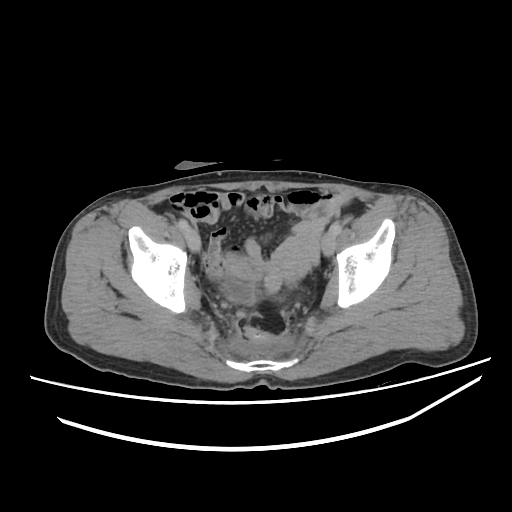

CT abdomen; axial view; soft-tissue window (W 400 / L 40); 512x512 px; 15 organs annotated in this scan (that count is for the whole scan; organs this slice misses have no box)
Coordinates as <box>x1,y1,x2,y2</box> in pixels.
Organ bounding boxes:
- bladder: <box>225,280,253,305</box>